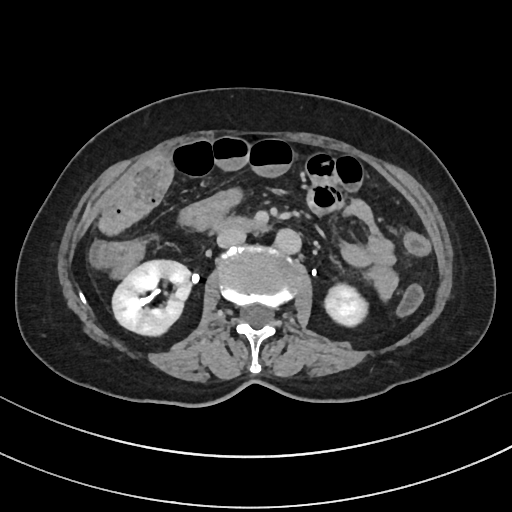 CT abdomen. Axial slice 127/212. W/L 400/40 HU
Box edges are left/top/right/bottom in pixels.
right kidney: left=112, top=260, right=190, bottom=337
inferior vena cava: left=217, top=226, right=245, bottom=247
aorta: left=274, top=228, right=300, bottom=252
duodenum: left=213, top=218, right=268, bottom=228
left kidney: left=325, top=283, right=366, bottom=325